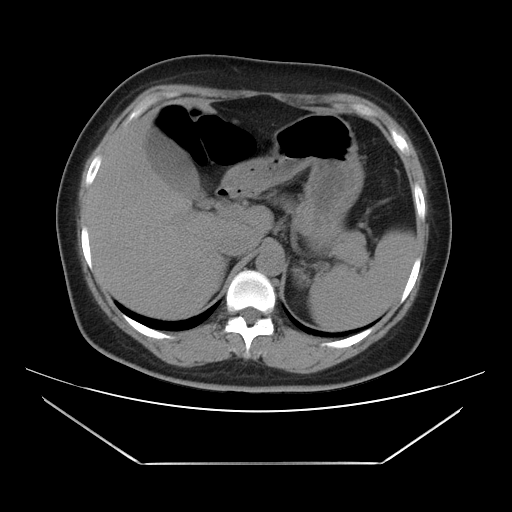

CT abdomen — axial view
<organs><organ name="duodenum" x1="216" y1="186" x2="240" y2="199"/><organ name="right adrenal gland" x1="225" y1="260" x2="228" y2="269"/><organ name="liver" x1="84" y1="97" x2="272" y2="319"/><organ name="pancreas" x1="294" y1="207" x2="365" y2="266"/><organ name="inferior vena cava" x1="217" y1="233" x2="250" y2="256"/><organ name="gall bladder" x1="146" y1="127" x2="212" y2="208"/><organ name="aorta" x1="255" y1="247" x2="284" y2="275"/><organ name="stomach" x1="221" y1="112" x2="364" y2="251"/><organ name="spleen" x1="309" y1="230" x2="415" y2="330"/></organs>